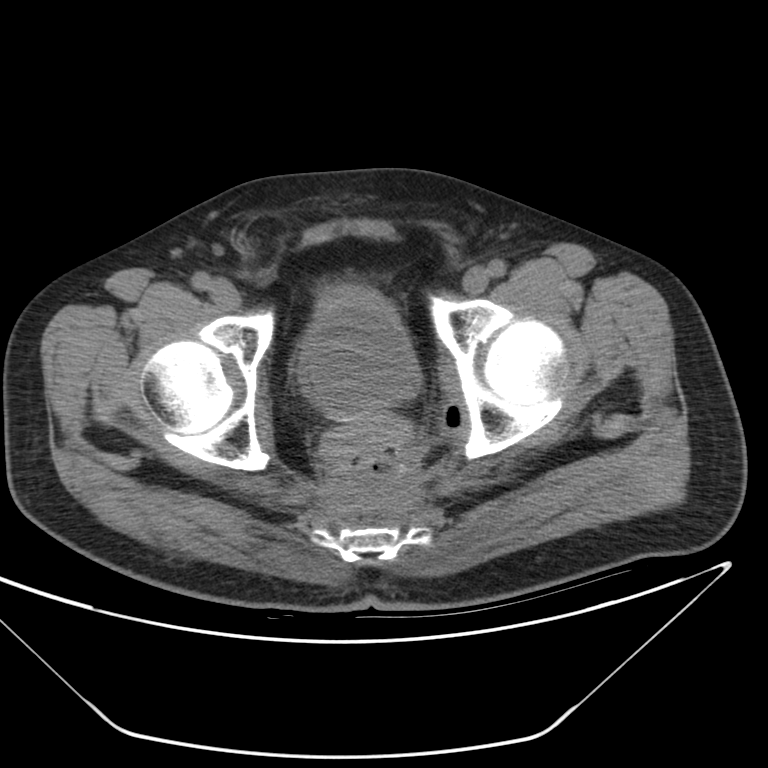
Computed tomography, abdomen; axial view; 50-year-old male patient; acquired on Brilliance16
Coordinates as <box>x1,y1,x2,y2</box> in pixels. 1 labeled organ on this slice — bladder at <box>305,291,421,417</box>.